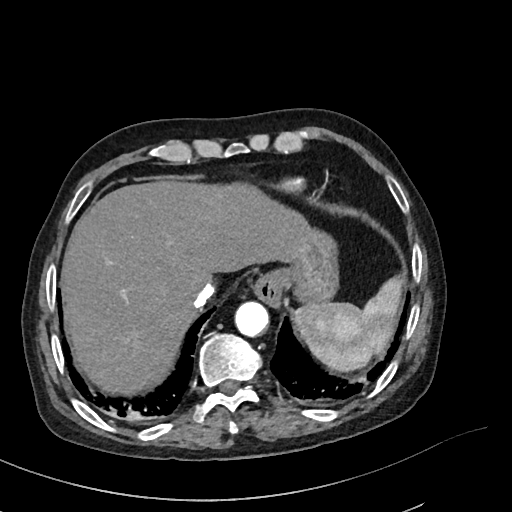

Computed tomography, abdomen; axial view; abdomen soft-tissue window; 512x512 px; SOMATOM Force scanner; scan has 15 labeled organs (that count is for the whole scan; organs this slice misses have no box)
Bounding boxes as [x1, y1, x2, y2] in pixel coordinates.
Organ bounding boxes:
- spleen: [294, 278, 404, 372]
- esophagus: [253, 273, 281, 307]
- liver: [60, 180, 307, 395]
- stomach: [272, 225, 339, 304]
- aorta: [234, 301, 269, 336]
- inferior vena cava: [192, 283, 214, 307]